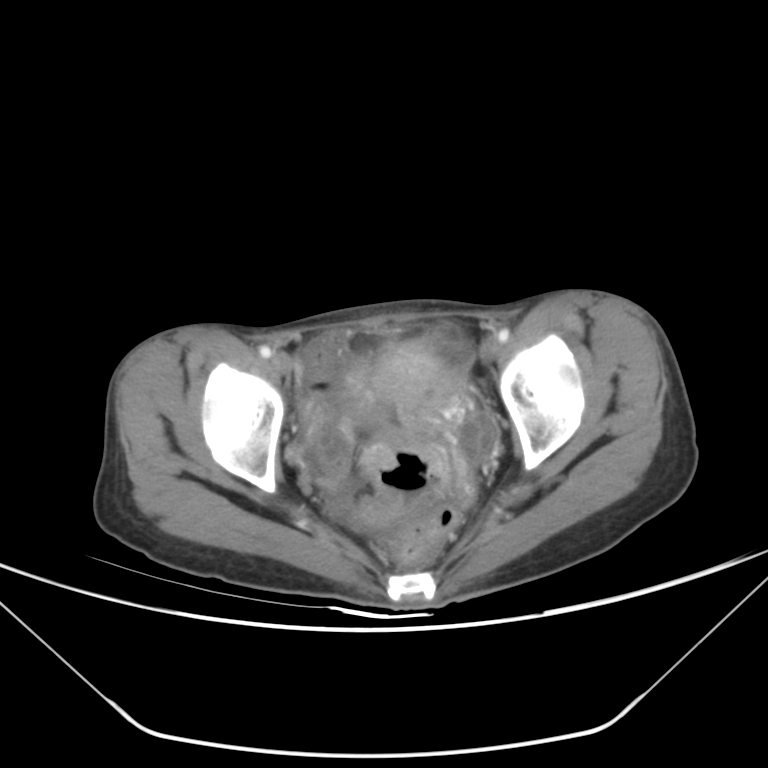

CT abdomen — Axial slice 20/89 — soft-tissue window — 768x768 px — 32-year-old female patient — Brilliance16 scanner
{"organs":{"prostate/uterus":[341,369,384,411]}}